CT, abdomen/pelvis — Axial slice 74/90 — 15 organs annotated in this scan (counted over the whole 3D scan, not this slice; an organ is boxed only where this slice passes through it)
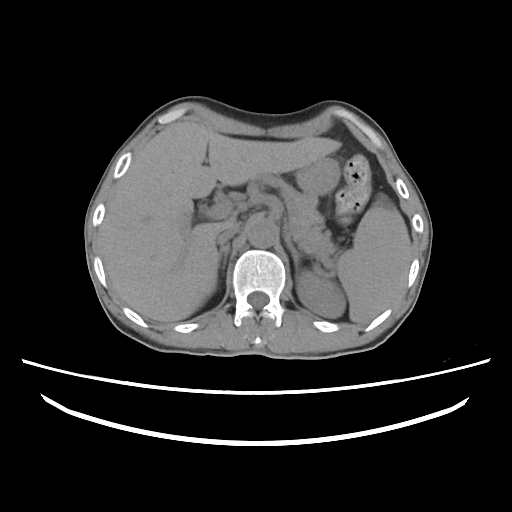
Boxes: x1 y1 x2 y2 (pixel coords, space-separated).
aorta: 248 218 278 247
stomach: 297 158 340 196
liver: 100 121 342 322
pancreas: 255 173 336 260
left kidney: 296 271 344 317
inferior vena cava: 217 223 239 244
left adrenal gland: 285 240 311 267
right adrenal gland: 216 240 229 274
spleen: 337 197 411 322